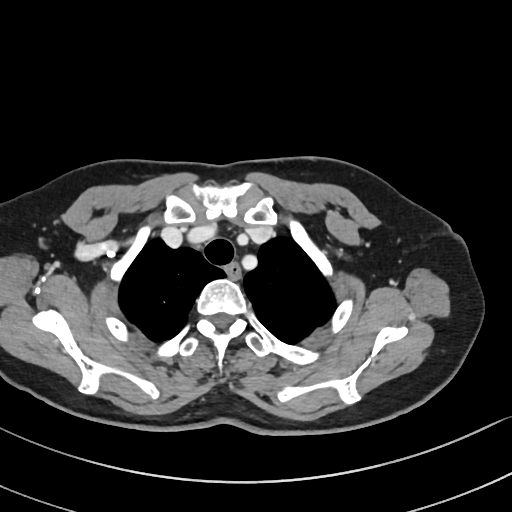 Chest-level CT slice, above the liver and spleen; axial plane, index 293; soft-tissue window; 512x512 px; scan has 14 labeled organs (a whole-scan count: organs this slice does not pass through have no box)
On a slice this high in the chest, this dataset labels only the esophagus and the aorta, and each is boxed only where it is labeled; the heart, lungs and other chest structures are not labeled.
{"organs":{"esophagus":[226,264,240,277]}}